CT of the abdomen extending into the chest, slice through the chest — axial plane, index 118 — soft-tissue window (W 400 / L 40) — 512x512 px — acquired on Aquilion ONE
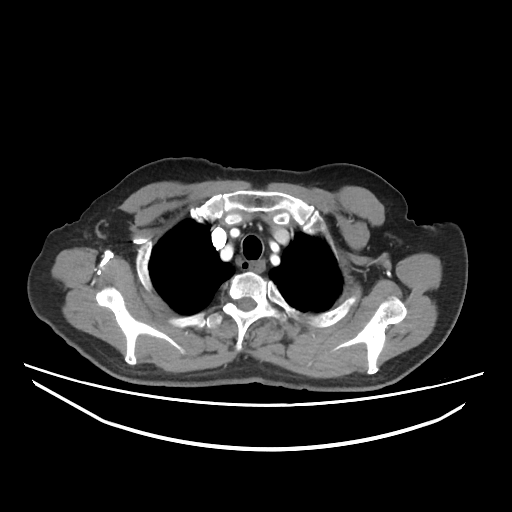
At this level of the chest this dataset labels only the esophagus and the aorta, and each is boxed only where it is labeled; the heart and lungs are never labeled.
Bounding boxes in pixels, one row per box: x1, y1 is the top-left corner and x2, y2 the bottom-right.
| organ | x1 | y1 | x2 | y2 |
|---|---|---|---|---|
| esophagus | 248 | 260 | 264 | 273 |